Abdominal CT reaching into the chest; this slice is in the chest — axial view
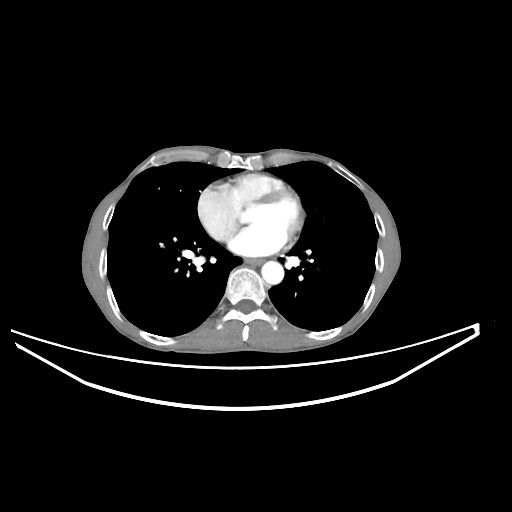
At this level of the chest no structure but the esophagus and the aorta has a label in this dataset, and those two are boxed only where they are labeled.
<organs><organ name="aorta" x1="261" y1="261" x2="283" y2="284"/><organ name="esophagus" x1="244" y1="258" x2="262" y2="264"/></organs>